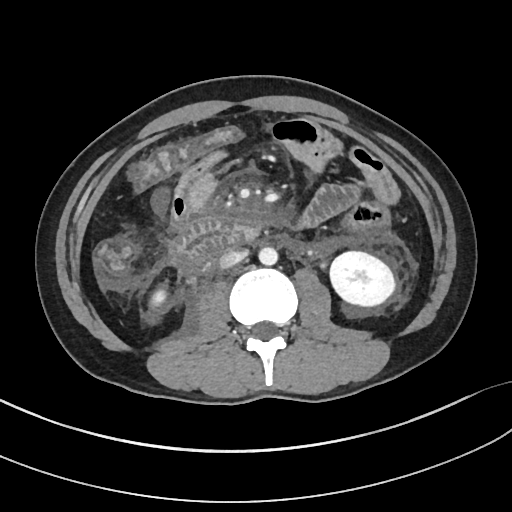

CT abdomen; Axial slice 129/251; soft-tissue window (W 400 / L 40)
<organs><organ name="right kidney" x1="152" y1="288" x2="167" y2="306"/><organ name="left kidney" x1="329" y1="250" x2="397" y2="307"/><organ name="aorta" x1="258" y1="247" x2="277" y2="265"/><organ name="inferior vena cava" x1="219" y1="250" x2="247" y2="268"/><organ name="duodenum" x1="171" y1="218" x2="262" y2="269"/></organs>